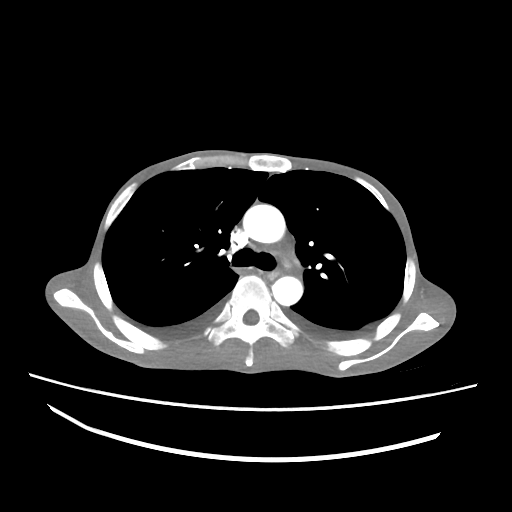

CT of the abdomen extending into the chest, slice through the chest. axial view
At this level of the chest this dataset labels only the esophagus and the aorta, and each is boxed only where it is labeled; the heart and lungs are never labeled.
Boxes are (x1, y1, x2, y2) in pixels.
Organ bounding boxes:
- esophagus: (266, 270, 278, 279)
- aorta: (243, 204, 285, 242)
- aorta: (272, 276, 302, 305)